Abdominal CT; axial view
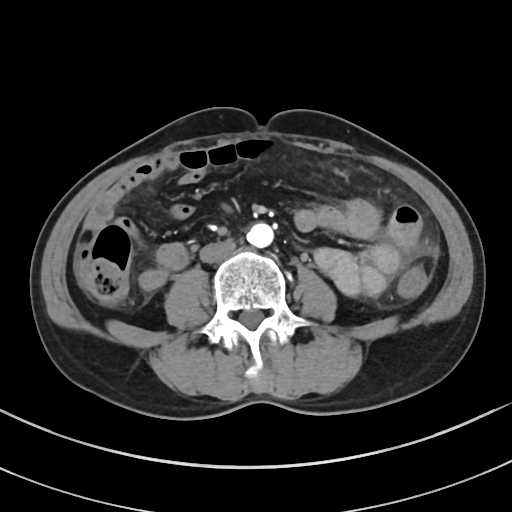
Box edges are left/top/right/bottom in pixels.
aorta: left=247, top=223, right=273, bottom=247
inferior vena cava: left=200, top=240, right=235, bottom=263